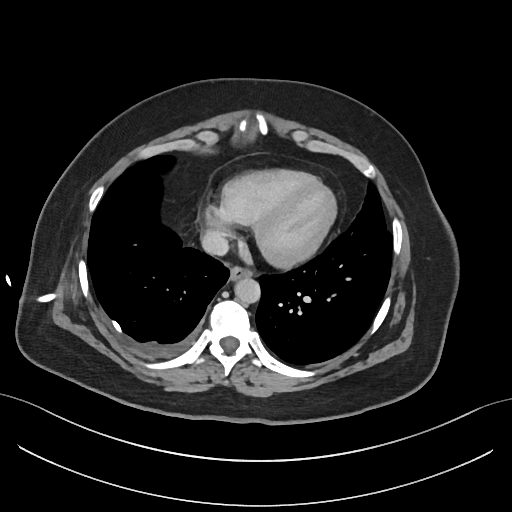 Abdominal CT; this slice is in the lower chest, just above the liver; Axial slice 212/305
The heart and lungs are never labeled in this dataset, so they have no box on this slice.
{"organs":{"esophagus":[230,266,251,280],"aorta":[234,278,260,303],"inferior vena cava":[201,231,228,255]}}